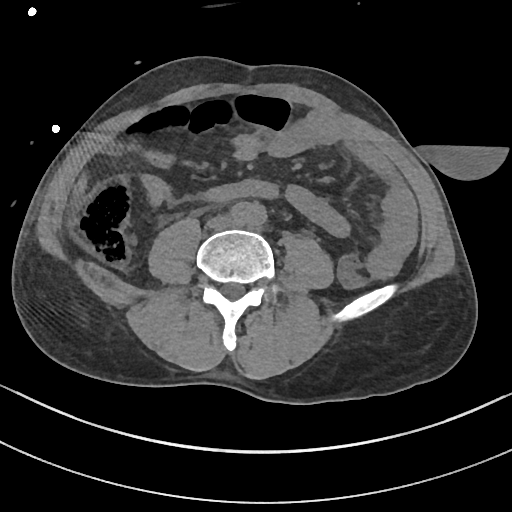 CT, abdomen/pelvis; axial view; abdomen soft-tissue window; scan has 15 labeled organs (a whole-scan count: organs this slice does not pass through have no box)
{"organs":{"aorta":[231,202,266,226],"inferior vena cava":[208,216,235,228]}}